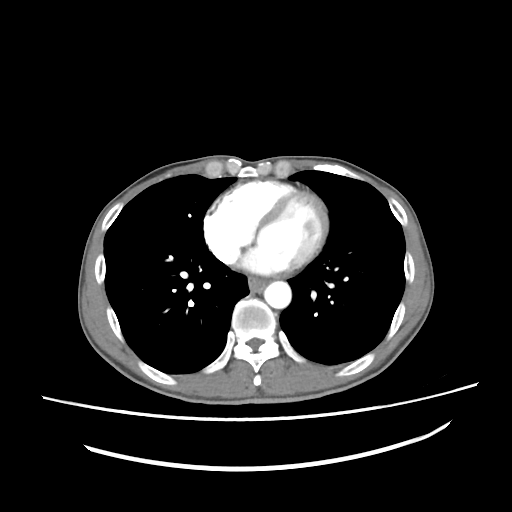

Abdominal CT; this slice is in the lower chest, just above the liver. Axial slice 94/133. soft-tissue window (W 400 / L 40). 50-year-old male patient
Of the structures in the chest, this dataset labels only the esophagus, the aorta and the inferior vena cava; the heart and lungs have no label.
One row per box, in pixels: columns x1 and y1 give the top-left corner, x2 and y2 the bottom-right.
| organ | x1 | y1 | x2 | y2 |
|---|---|---|---|---|
| esophagus | 248 | 277 | 266 | 291 |
| aorta | 264 | 281 | 291 | 308 |